Abdominal CT. axial view. 59-year-old male patient
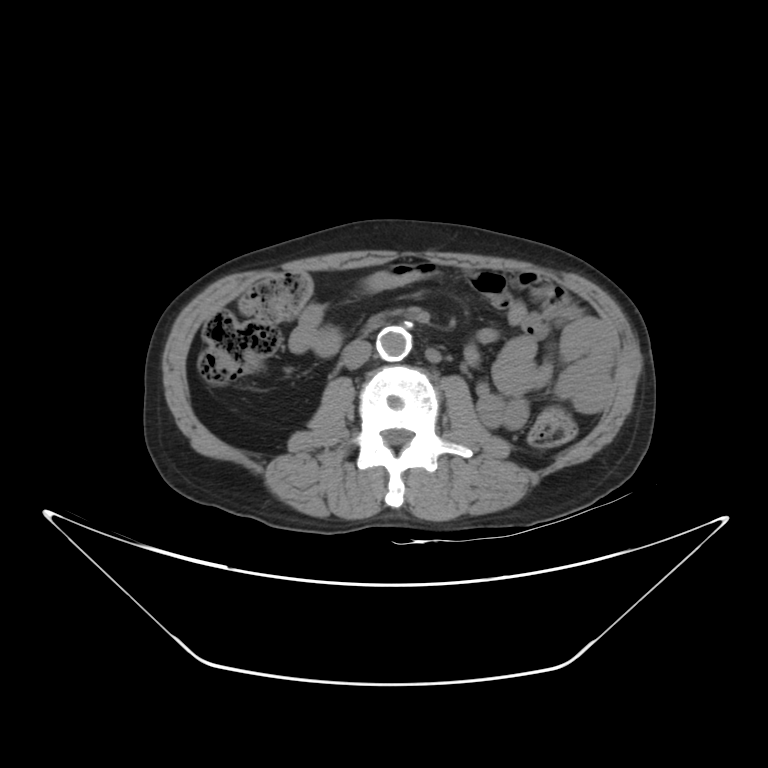

Boxes: x1:y1:x2:y2 in pixels.
inferior vena cava: 342:340:371:368
aorta: 377:327:411:360